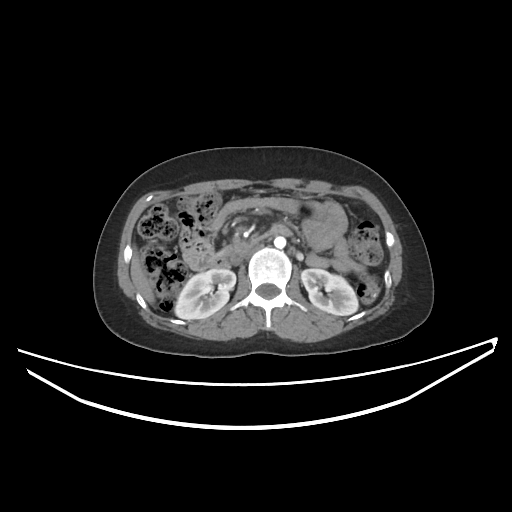

CT, abdomen/pelvis — axial plane, index 62 — acquired on Aquilion ONE — scan has 15 labeled organs (a whole-scan count: organs this slice does not pass through have no box)
Organ boxes in pixel coordinates; each row gives the top-left (x1, y1) and bottom-right (x2, y2) corners.
| organ | x1 | y1 | x2 | y2 |
|---|---|---|---|---|
| right kidney | 175 | 269 | 235 | 319 |
| left kidney | 301 | 269 | 358 | 315 |
| liver | 130 | 252 | 154 | 303 |
| aorta | 274 | 236 | 285 | 248 |
| inferior vena cava | 232 | 246 | 251 | 263 |
| duodenum | 206 | 224 | 288 | 268 |